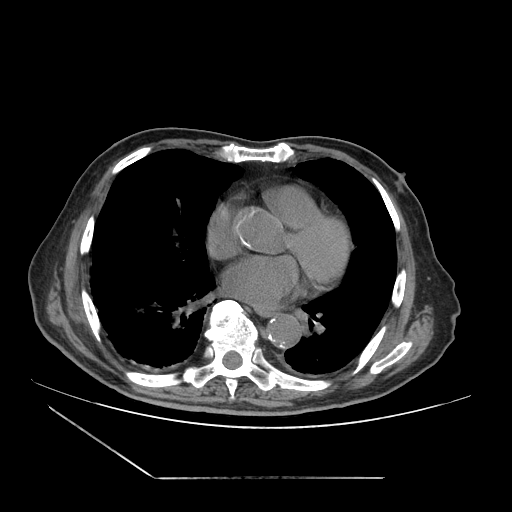
Lower-chest slice from an abdominal CT, just above the liver and spleen — Axial slice 183/187 — soft-tissue window, W/L 400/40 — 512x512 px — acquired on SOMATOM Force
No part of the heart or lungs is labeled in this dataset, so neither has a box here.
Bounding boxes in pixels, one row per box: x1, y1 is the top-left corner and x2, y2 the bottom-right.
| organ | x1 | y1 | x2 | y2 |
|---|---|---|---|---|
| esophagus | 257 | 310 | 275 | 316 |
| aorta | 267 | 313 | 301 | 348 |